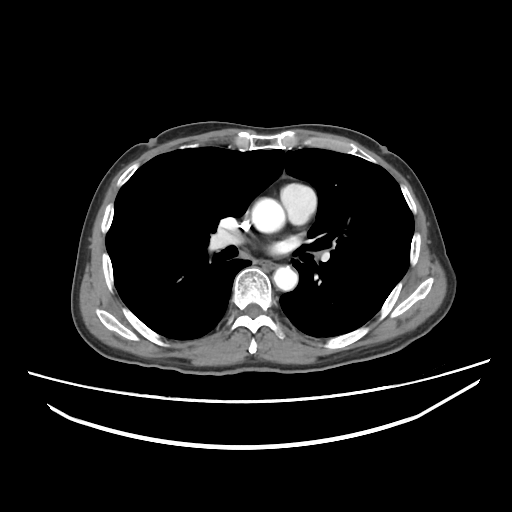 Chest-level slice from an abdominal CT that extends up into the chest · axial view · Aquilion ONE scanner
At this level of the chest this dataset labels only the esophagus and the aorta, and each is boxed only where it is labeled; the heart and lungs are never labeled.
<organs><organ name="esophagus" x1="262" y1="261" x2="275" y2="268"/><organ name="aorta" x1="251" y1="198" x2="285" y2="233"/><organ name="aorta" x1="273" y1="266" x2="297" y2="290"/></organs>